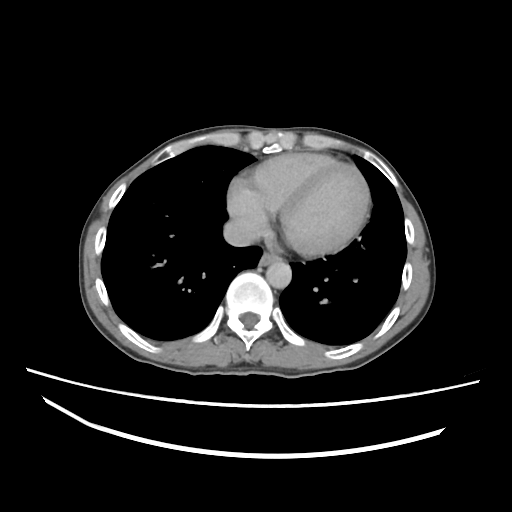
Lower-chest slice from an abdominal CT, just above the liver and spleen · axial view · soft-tissue window · 40-year-old male patient
Of the structures in the chest, this dataset labels only the esophagus, the aorta and the inferior vena cava; the heart and lungs have no label.
Coordinates as <box>x1,y1,x2,y2</box> in pixels.
Organ bounding boxes:
- esophagus: <box>258,252,279,266</box>
- aorta: <box>266,259,292,287</box>
- inferior vena cava: <box>224,219,256,247</box>